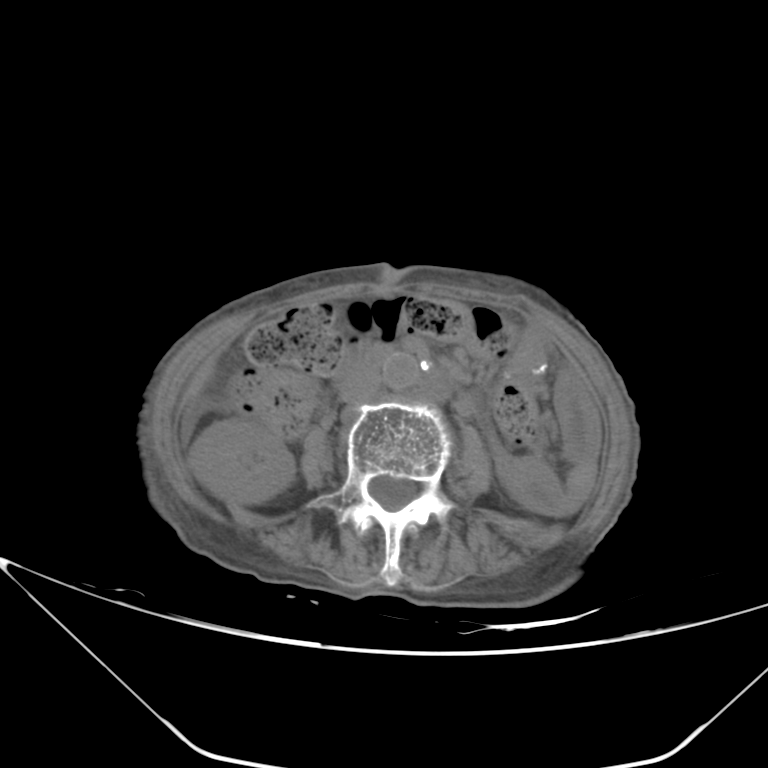 Computed tomography, abdomen — axial view
Bounding boxes as [x1, y1, x2, y2] in pixel coordinates. 3 labeled organs on this slice — right kidney at [189, 418, 294, 503]; aorta at [383, 352, 419, 389]; inferior vena cava at [340, 368, 381, 403].